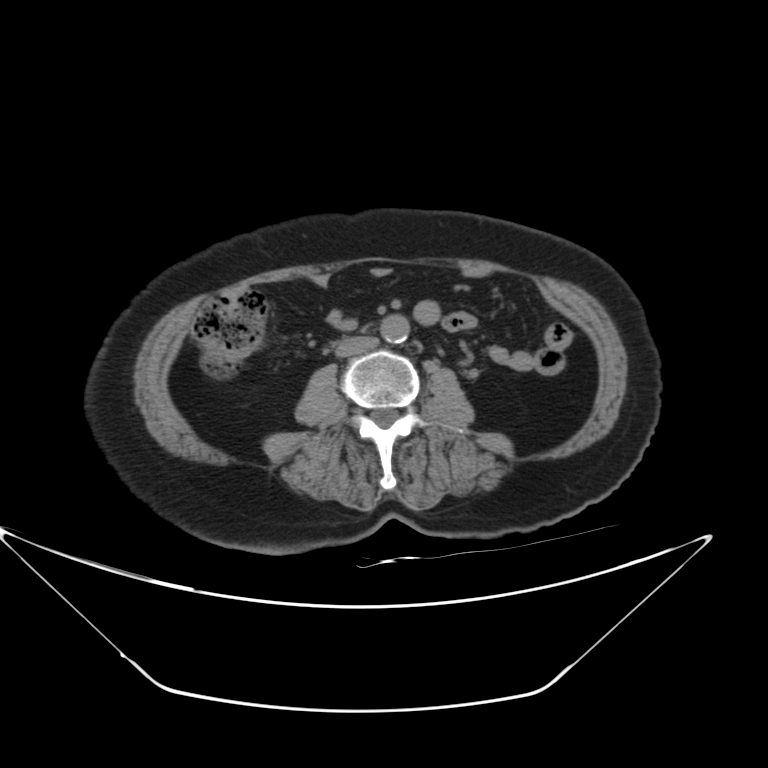 Computed tomography, abdomen · axial view · 768x768 px · acquired on Brilliance16
Coordinates as <box>x1,y1,x2,y2</box> in pixels.
Organ bounding boxes:
- aorta: <box>380,314,409,343</box>
- inferior vena cava: <box>335,335,378,357</box>